Magnetic resonance imaging, abdomen; axial plane, index 42
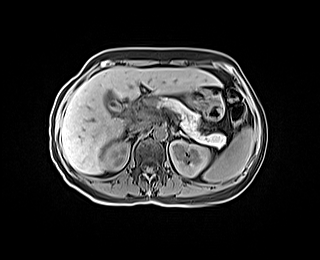 Bounding boxes as [x1, y1, x2, y2] in pixel coordinates.
Organ bounding boxes:
- spleen: [203, 127, 254, 182]
- right kidney: [102, 141, 129, 170]
- left kidney: [170, 140, 210, 176]
- gall bladder: [104, 90, 122, 110]
- liver: [60, 66, 221, 174]
- stomach: [185, 87, 212, 108]
- aorta: [153, 127, 166, 139]
- inferior vena cava: [130, 123, 147, 132]
- pancreas: [156, 98, 225, 145]
- left adrenal gland: [174, 131, 187, 137]
- duodenum: [123, 99, 131, 106]